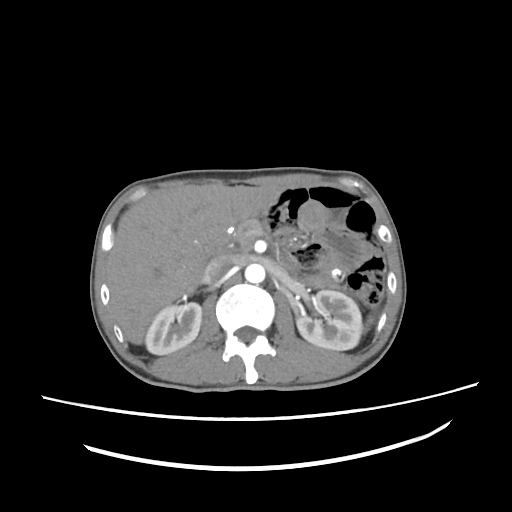

Abdominal CT. axial plane, index 67. soft-tissue window (W 400 / L 40). 512x512 px. 14 organs annotated in this scan (that count is for the whole scan; organs this slice misses have no box)
{"organs":{"spleen":[369,318,371,321],"right kidney":[145,302,201,354],"left kidney":[296,290,362,350],"liver":[107,185,282,344],"aorta":[245,263,265,283],"inferior vena cava":[204,256,233,283],"pancreas":[223,219,263,251],"duodenum":[210,235,228,252]}}